Abdominal CT · axial view · W/L 400/40 HU · 512x512 px
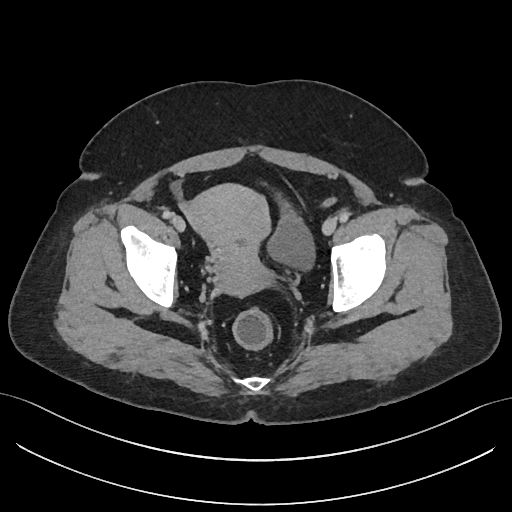

Coordinates as <box>x1,y1,x2,y2</box> in pixels.
bladder: <box>265,203,315,272</box>
prostate/uterus: <box>186,184,270,297</box>